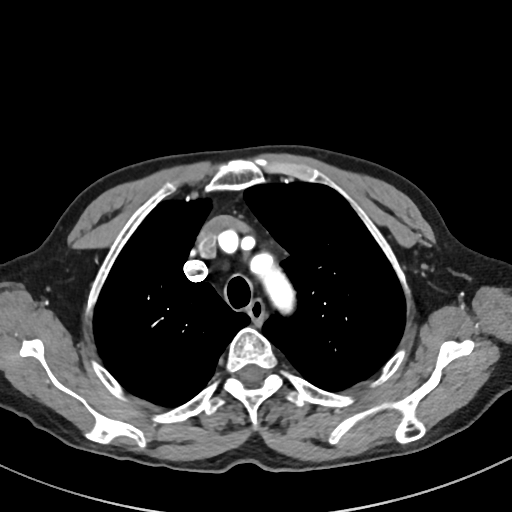
Chest-level slice from an abdominal CT that extends up into the chest · axial plane, index 277 · soft-tissue window · 512x512 px · scan has 15 labeled organs (that count is for the whole scan; organs this slice misses have no box)
At this level of the chest no structure but the esophagus and the aorta has a label in this dataset, and those two are boxed only where they are labeled.
<organs><organ name="esophagus" x1="248" y1="302" x2="264" y2="323"/><organ name="aorta" x1="247" y1="250" x2="299" y2="321"/></organs>